Abdominal CT; this slice is in the lower chest, just above the liver · axial view · scan has 15 labeled organs (a whole-scan count: organs this slice does not pass through have no box)
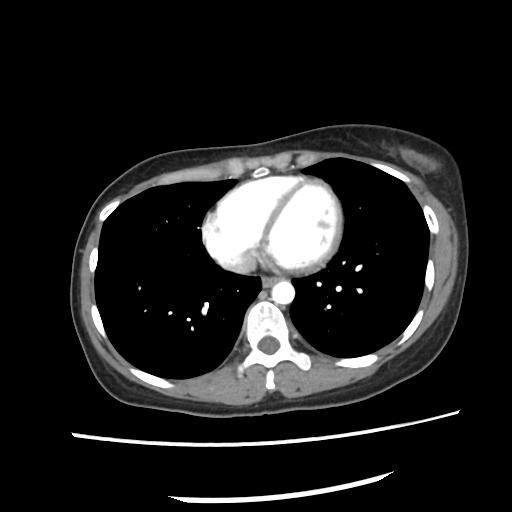

Of the structures in the chest, this dataset labels only the esophagus, the aorta and the inferior vena cava; the heart and lungs have no label.
Boxes: x1 y1 x2 y2 (pixel coords, space-separated).
Organ bounding boxes:
- esophagus: 262 278 276 287
- aorta: 271 280 295 304